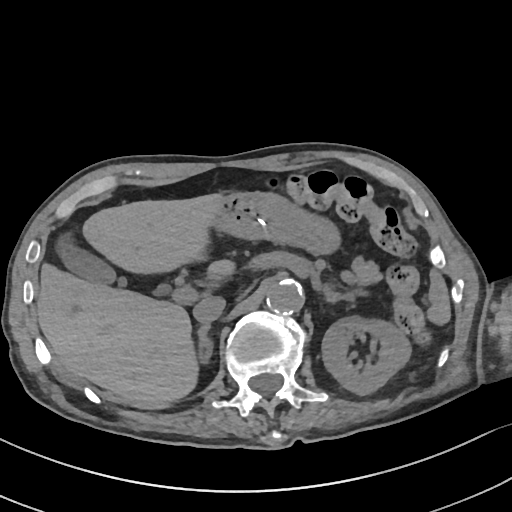
Abdominal CT — axial plane, index 149
{"organs":{"right adrenal gland":[197,323,213,363],"inferior vena cava":[193,296,225,322],"stomach":[211,191,339,252],"left kidney":[322,316,411,394],"pancreas":[352,257,379,284],"liver":[36,194,234,402],"gall bladder":[56,239,115,284],"spleen":[428,271,451,323],"aorta":[266,278,304,314],"left adrenal gland":[323,285,352,302]}}